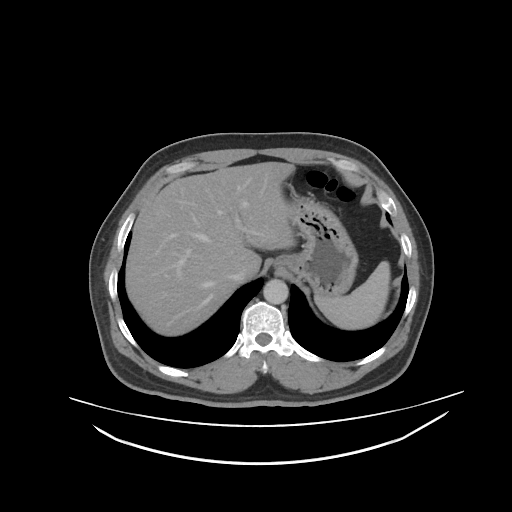

CT abdomen — axial view — 512x512 px — Aquilion ONE scanner
<organs><organ name="spleen" x1="314" y1="261" x2="389" y2="328"/><organ name="liver" x1="126" y1="162" x2="295" y2="336"/><organ name="stomach" x1="272" y1="191" x2="358" y2="297"/><organ name="aorta" x1="263" y1="279" x2="288" y2="304"/><organ name="inferior vena cava" x1="231" y1="266" x2="245" y2="283"/></organs>